Computed tomography, abdomen — axial view
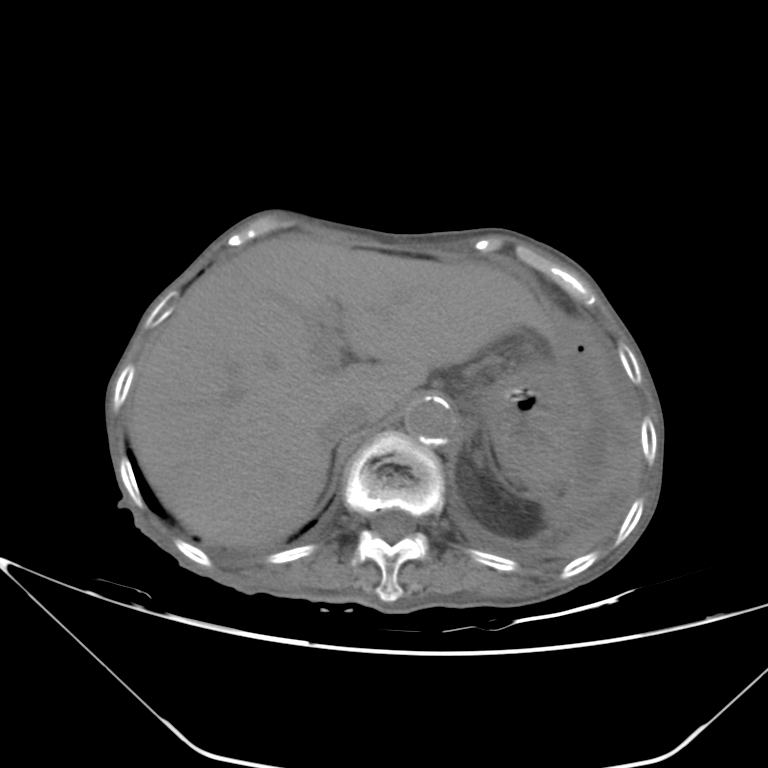 <organs><organ name="liver" x1="128" y1="234" x2="554" y2="548"/><organ name="stomach" x1="476" y1="362" x2="589" y2="482"/><organ name="aorta" x1="405" y1="397" x2="454" y2="443"/><organ name="inferior vena cava" x1="320" y1="404" x2="367" y2="444"/><organ name="left adrenal gland" x1="475" y1="454" x2="482" y2="463"/></organs>